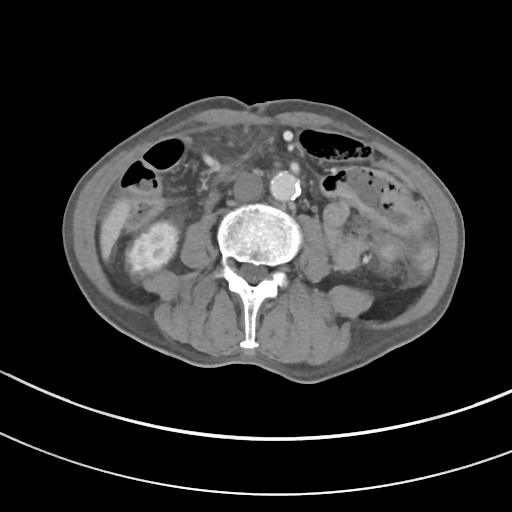

Abdominal CT. axial view. soft-tissue window (W 400 / L 40)
Boxes: x1 y1 x2 y2 (pixel coords, space-separated).
Organ bounding boxes:
- right kidney: 126 222 177 273
- liver: 99 198 130 260
- aorta: 270 171 300 201
- inferior vena cava: 233 173 263 201
- duodenum: 215 162 243 180